Abdominal CT; this slice is in the lower chest, just above the liver · axial view · W/L 400/40 HU · SOMATOM Force scanner
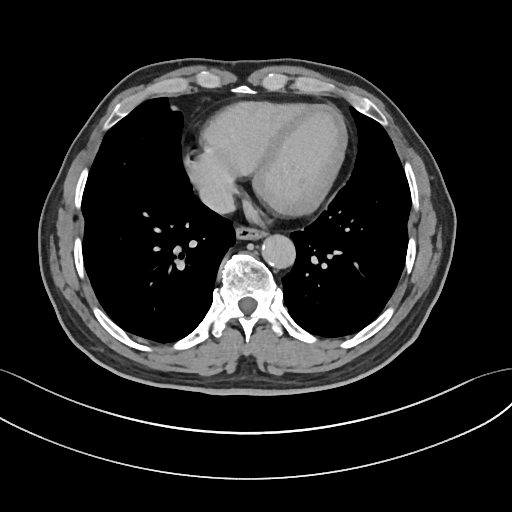

The heart and lungs are never labeled in this dataset, so they have no box on this slice.
Organ boxes in pixel coordinates; each row gives the top-left (x1, y1) and bottom-right (x2, y2) corners.
| organ | x1 | y1 | x2 | y2 |
|---|---|---|---|---|
| inferior vena cava | 199 | 184 | 235 | 213 |
| aorta | 262 | 235 | 296 | 269 |
| esophagus | 235 | 228 | 265 | 240 |